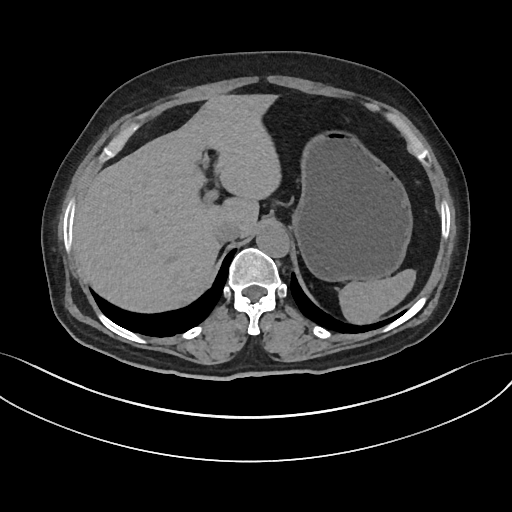
CT, abdomen/pelvis · axial view · abdomen soft-tissue window
Organ boxes in pixel coordinates; each row gives the top-left (x1, y1) and bottom-right (x2, y2) corners.
| organ | x1 | y1 | x2 | y2 |
|---|---|---|---|---|
| spleen | 339 | 269 | 415 | 323 |
| liver | 73 | 94 | 279 | 311 |
| stomach | 291 | 132 | 412 | 281 |
| aorta | 256 | 225 | 290 | 258 |
| inferior vena cava | 214 | 222 | 240 | 242 |